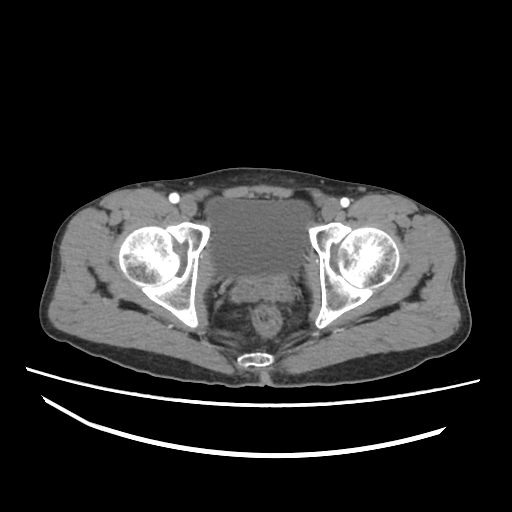
CT, abdomen/pelvis; axial view; W/L 400/40 HU; acquired on Aquilion ONE
Each box given as x1,y1,x2,y2.
bladder: x1=206, y1=197, x2=312, y2=276